CT abdomen. axial view. SOMATOM Force scanner. 15 organs annotated in this scan (a whole-scan count: organs this slice does not pass through have no box)
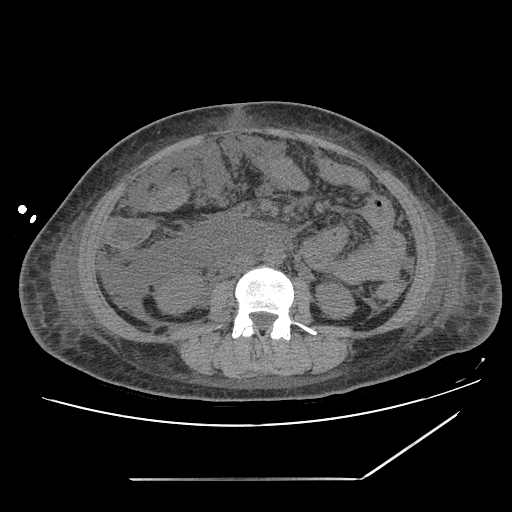

Coordinates as <box>x1,y1,x2,y2</box> in pixels. 4 labeled organs on this slice — left kidney at <box>315,283,354,316</box>; right kidney at <box>155,274,201,312</box>; inferior vena cava at <box>228,254,254,274</box>; aorta at <box>263,246,283,264</box>.